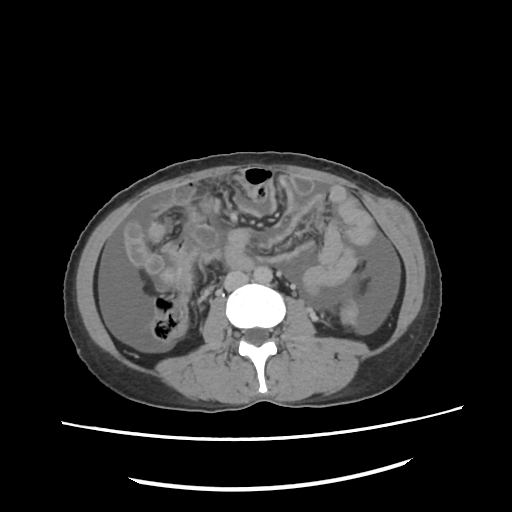

Abdominal CT · axial plane, index 58 · 512x512 px · acquired on Aquilion ONE · scan has 15 labeled organs (a whole-scan count: organs this slice does not pass through have no box)
Boxes: x1 y1 x2 y2 (pixel coords, space-separated).
aorta: 255 267 273 283
inferior vena cava: 224 271 248 291